Abdominal CT; axial view; soft-tissue window
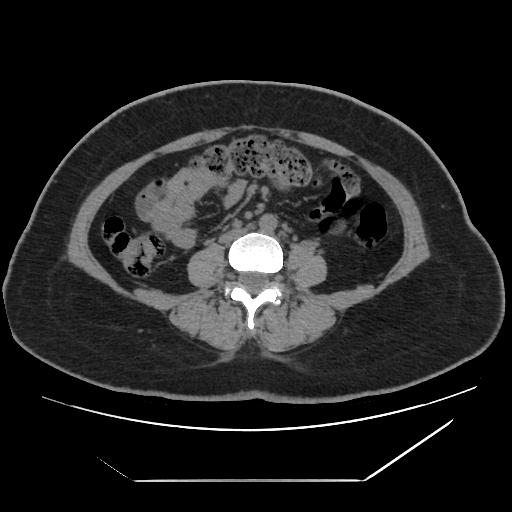 {"organs":{"aorta":[259,214,277,233],"inferior vena cava":[219,226,251,243]}}